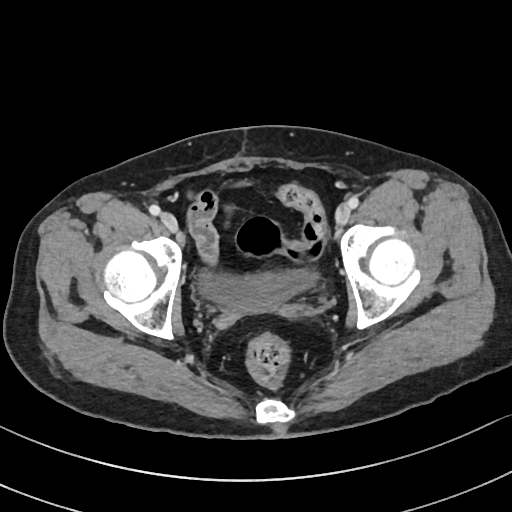
CT, abdomen/pelvis · axial view · W/L 400/40 HU
{"organs":{"bladder":[196,270,321,311]}}